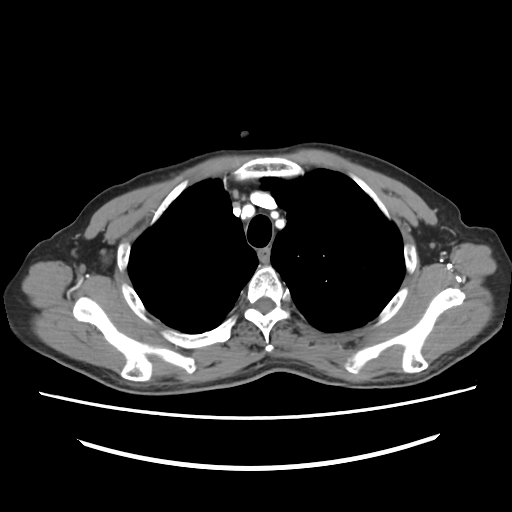 CT of the abdomen extending into the chest, slice through the chest. Axial slice 120/134. 65-year-old male patient. scan has 15 labeled organs (a whole-scan count: organs this slice does not pass through have no box)
On a slice this high in the chest, this dataset labels only the esophagus and the aorta, and each is boxed only where it is labeled; the heart, lungs and other chest structures are not labeled.
<organs><organ name="esophagus" x1="258" y1="249" x2="269" y2="260"/></organs>